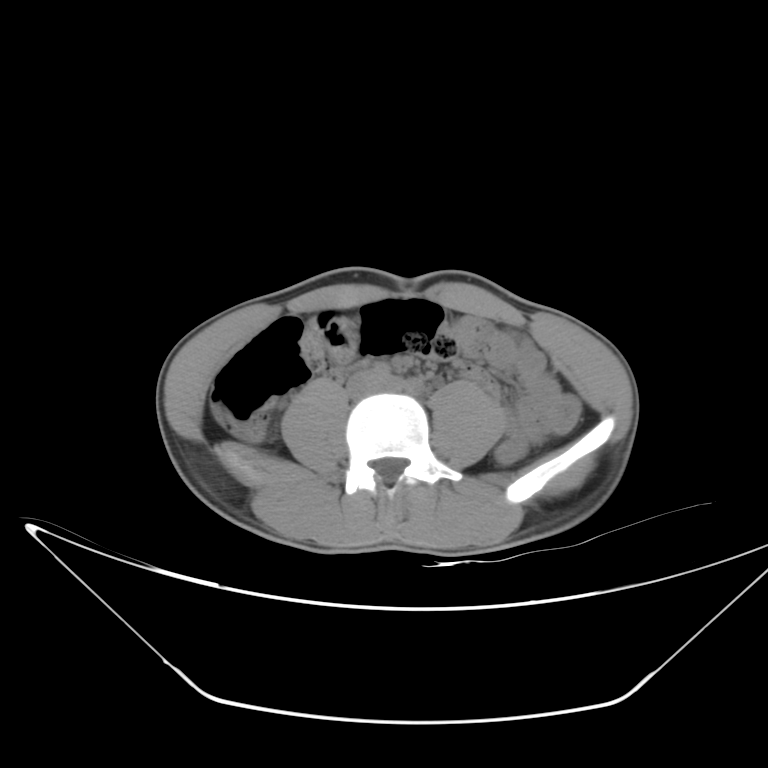 CT abdomen. axial view. acquired on Aquilion ONE
Box edges are left/top/right/bottom in pixels.
Organ bounding boxes:
- inferior vena cava: left=346, top=371, right=383, bottom=398